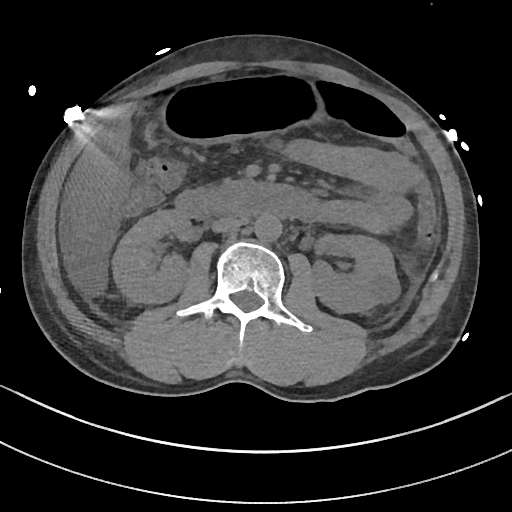 Computed tomography, abdomen — Axial slice 149/252 — soft-tissue window — 512x512 px — 15 organs annotated in this scan (a whole-scan count: organs this slice does not pass through have no box)
<organs><organ name="right kidney" x1="112" y1="210" x2="191" y2="303"/><organ name="left kidney" x1="311" y1="234" x2="400" y2="313"/><organ name="liver" x1="70" y1="121" x2="130" y2="236"/><organ name="stomach" x1="159" y1="78" x2="321" y2="144"/><organ name="aorta" x1="254" y1="213" x2="281" y2="241"/><organ name="inferior vena cava" x1="211" y1="216" x2="242" y2="232"/><organ name="duodenum" x1="175" y1="180" x2="309" y2="219"/></organs>